CT of the abdomen extending into the chest, slice through the chest; axial plane, index 117; soft-tissue window, W/L 400/40; 512x512 px; scan has 15 labeled organs (counted over the whole 3D scan, not this slice; an organ is boxed only where this slice passes through it)
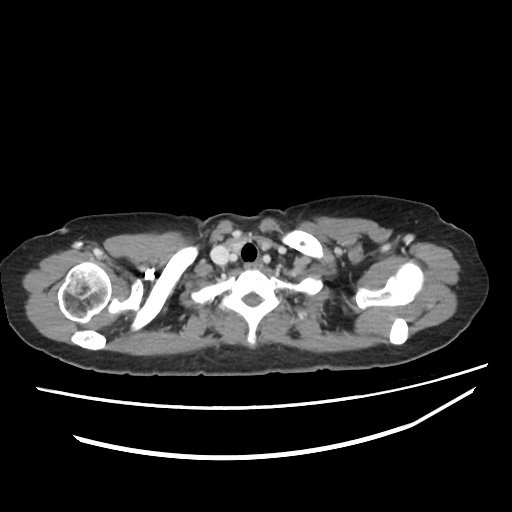
On a slice this high in the chest, this dataset labels only the esophagus and the aorta, and each is boxed only where it is labeled; the heart, lungs and other chest structures are not labeled.
Bounding boxes as [x1, y1, x2, y2] in pixel coordinates.
esophagus: [250, 259, 263, 269]